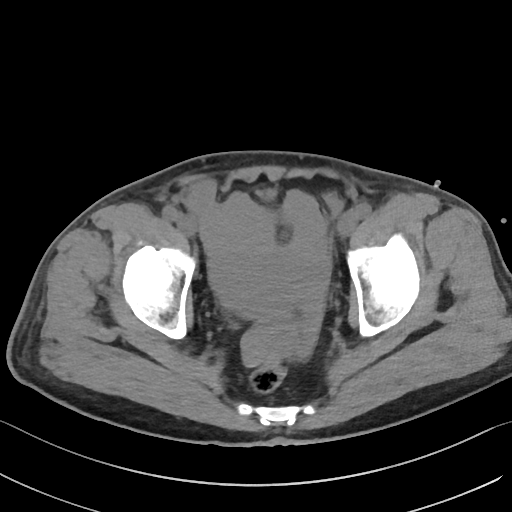

CT, abdomen/pelvis · Axial slice 15/100
{"organs":{"bladder":[255,189,272,198]}}